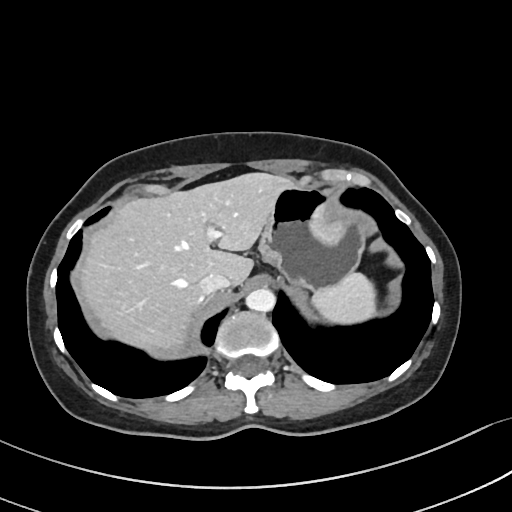

CT, abdomen/pelvis — axial plane, index 155 — 15 organs annotated in this scan (a whole-scan count: organs this slice does not pass through have no box)
Organ boxes in pixel coordinates; each row gives the top-left (x1, y1) and bottom-right (x2, y2) corners.
| organ | x1 | y1 | x2 | y2 |
|---|---|---|---|---|
| spleen | 310 | 272 | 375 | 324 |
| liver | 80 | 173 | 293 | 353 |
| stomach | 259 | 186 | 368 | 288 |
| aorta | 245 | 287 | 274 | 312 |
| inferior vena cava | 199 | 271 | 230 | 294 |